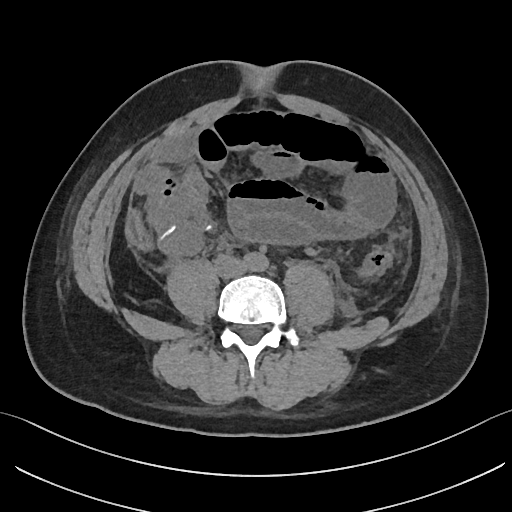
Computed tomography, abdomen. axial view. 512x512 px. scan has 15 labeled organs (counted over the whole 3D scan, not this slice; an organ is boxed only where this slice passes through it)
{"organs":{"aorta":[244,252,268,272],"inferior vena cava":[215,255,246,278]}}